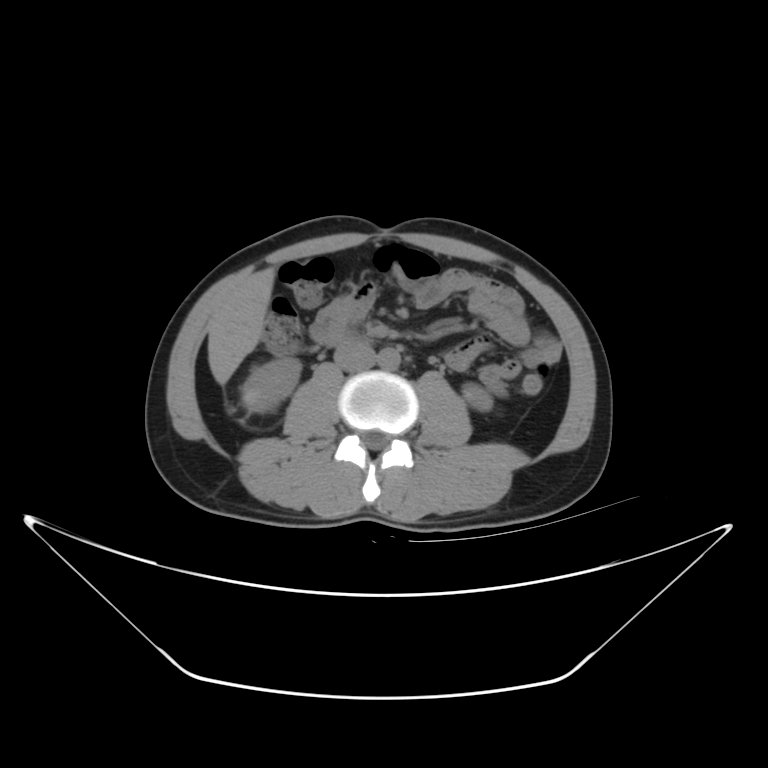
Computed tomography, abdomen · axial view · 31-year-old male patient · 15 organs annotated in this scan (that count is for the whole scan; organs this slice misses have no box)
Box edges are left/top/right/bottom in pixels. The annotated organs in this slice are: right kidney at left=244, top=357, right=301, bottom=412, left kidney at left=461, top=381, right=491, bottom=409, liver at left=206, top=267, right=276, bottom=383, aorta at left=378, top=347, right=401, bottom=370, inferior vena cava at left=333, top=338, right=375, bottom=371.